Computed tomography, abdomen · axial view · 512x512 px
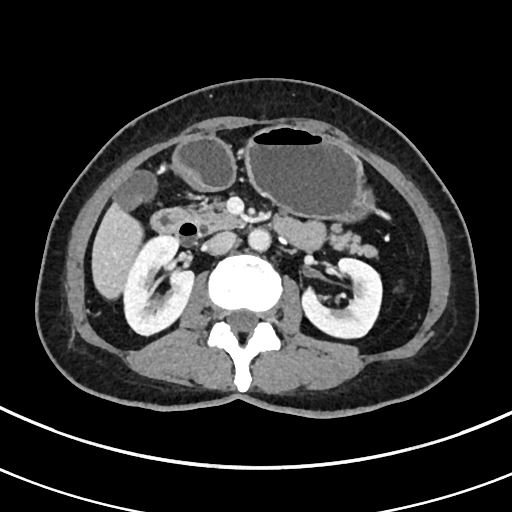 <organs><organ name="right kidney" x1="123" y1="235" x2="194" y2="335"/><organ name="left kidney" x1="302" y1="258" x2="382" y2="338"/><organ name="gall bladder" x1="114" y1="170" x2="156" y2="209"/><organ name="liver" x1="91" y1="202" x2="142" y2="299"/><organ name="stomach" x1="172" y1="125" x2="373" y2="220"/><organ name="aorta" x1="248" y1="228" x2="270" y2="251"/><organ name="inferior vena cava" x1="206" y1="231" x2="236" y2="254"/><organ name="pancreas" x1="192" y1="201" x2="376" y2="256"/><organ name="duodenum" x1="150" y1="207" x2="201" y2="242"/></organs>